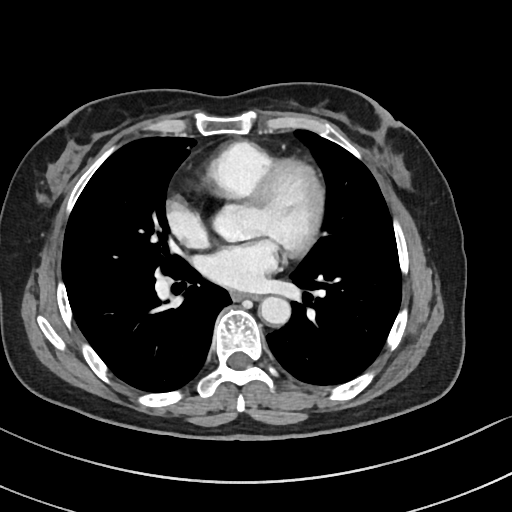

Lower-chest slice from an abdominal CT, just above the liver and spleen — axial view — soft-tissue window (W 400 / L 40)
Of the structures in the chest, this dataset labels only the esophagus, the aorta and the inferior vena cava; the heart and lungs have no label. Each box given as x1,y1,x2,y2. 2 labeled organs on this slice — esophagus at x1=230, y1=291, x2=259, y2=300; aorta at x1=260, y1=296, x2=291, y2=324.